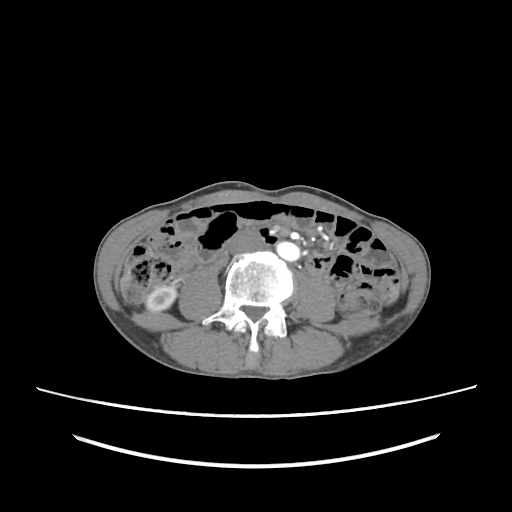 Abdominal CT · axial view · scan has 15 labeled organs (counted over the whole 3D scan, not this slice; an organ is boxed only where this slice passes through it)
{"organs":{"right kidney":[146,285,176,311],"aorta":[277,241,299,261],"inferior vena cava":[229,230,265,253]}}